CT, abdomen/pelvis — axial plane, index 40 — 768x768 px
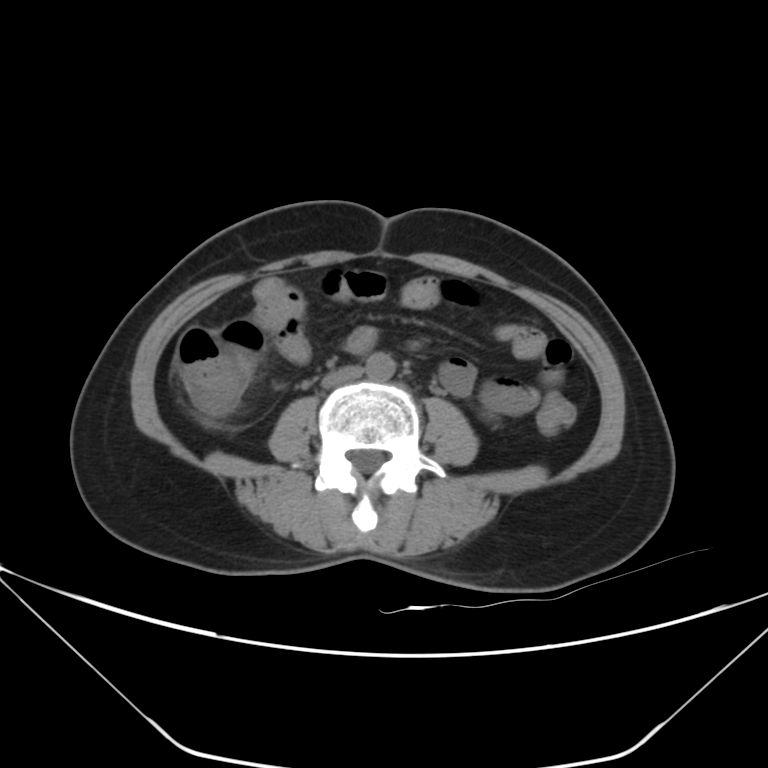

Boxes are (x1, y1, x2, y2) in pixels.
aorta: (365, 353, 396, 380)
inferior vena cava: (321, 365, 363, 388)